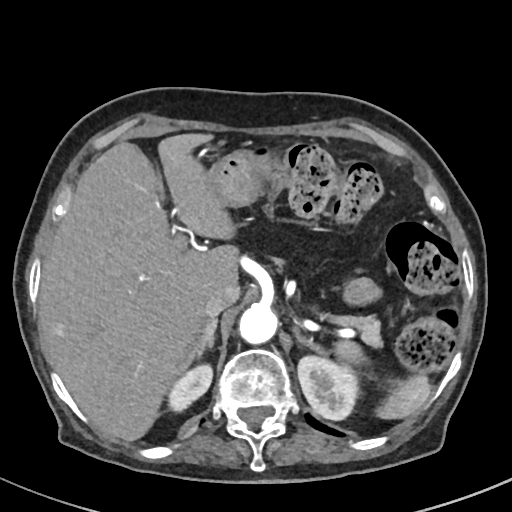
CT abdomen; axial view; abdomen soft-tissue window; 512x512 px
<organs><organ name="inferior vena cava" x1="203" y1="284" x2="240" y2="317"/><organ name="pancreas" x1="332" y1="315" x2="381" y2="348"/><organ name="stomach" x1="208" y1="149" x2="272" y2="205"/><organ name="liver" x1="40" y1="134" x2="240" y2="440"/><organ name="right adrenal gland" x1="196" y1="317" x2="216" y2="354"/><organ name="spleen" x1="332" y1="339" x2="432" y2="420"/><organ name="left adrenal gland" x1="294" y1="328" x2="324" y2="354"/><organ name="aorta" x1="237" y1="304" x2="276" y2="345"/><organ name="right kidney" x1="168" y1="364" x2="212" y2="411"/><organ name="left kidney" x1="298" y1="357" x2="357" y2="419"/></organs>